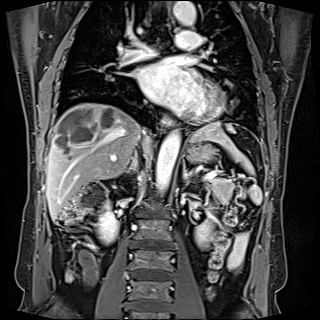

Abdominal MR · coronal view · 320x320 px · scan has 13 labeled organs (counted over the whole 3D scan, not this slice; an organ is boxed only where this slice passes through it)
Boxes: x1:y1:x2:y2 in pixels.
spleen: 192:123:262:204
liver: 46:102:235:220
left kidney: 195:207:220:246
aorta: 155:130:180:192
aorta: 173:1:196:25
right kidney: 98:181:128:243
esophagus: 163:115:172:127
esophagus: 164:11:173:27
stomach: 186:139:217:163
inferior vena cava: 137:130:144:150
pancreas: 209:178:235:204
left adrenal gland: 183:165:192:184
right adrenal gland: 126:158:136:174